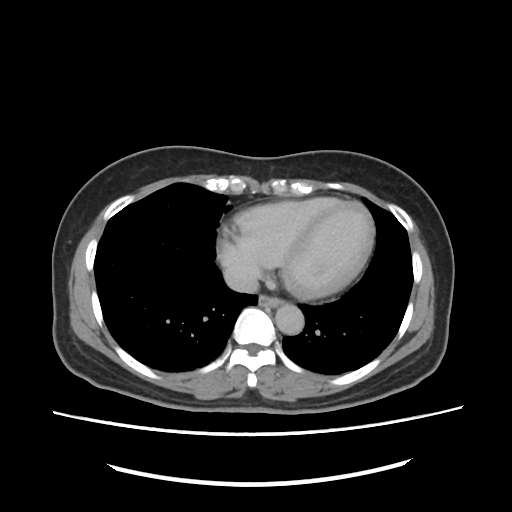
Abdominal CT; this slice is in the lower chest, just above the liver — axial view — 512x512 px — 50-year-old female patient
Of the structures in the chest, this dataset labels only the esophagus, the aorta and the inferior vena cava; the heart and lungs have no label.
Bounding boxes in pixels, one row per box: x1, y1 is the top-left corner and x2, y2 the bottom-right.
| organ | x1 | y1 | x2 | y2 |
|---|---|---|---|---|
| esophagus | 258 | 296 | 281 | 310 |
| aorta | 276 | 303 | 304 | 335 |
| inferior vena cava | 222 | 265 | 259 | 293 |